Computed tomography, abdomen. axial view. soft-tissue window
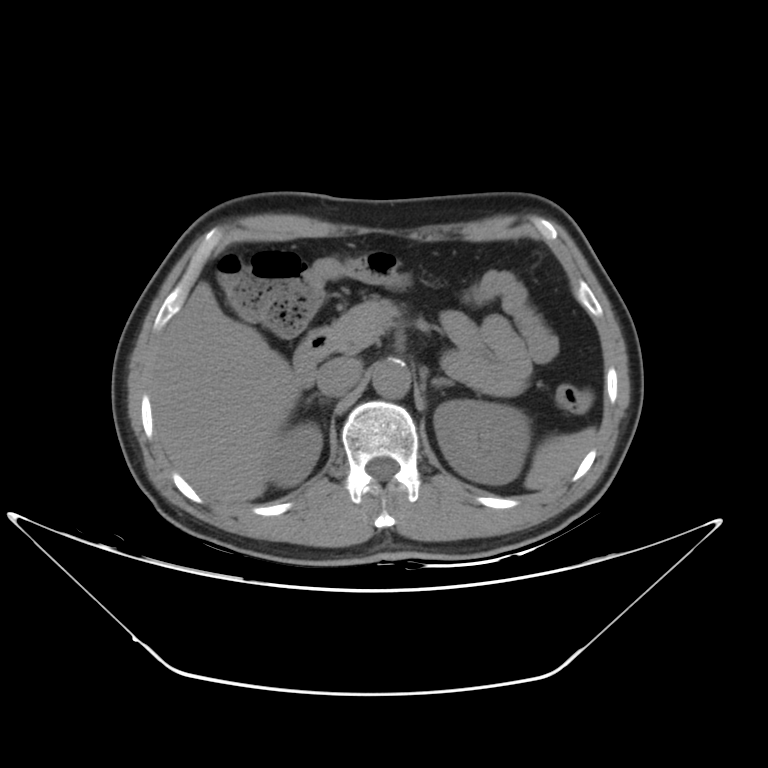 Box edges are left/top/right/bottom in pixels.
spleen: left=524, top=427, right=595, bottom=490
right kidney: left=265, top=422, right=322, bottom=486
left kidney: left=433, top=401, right=530, bottom=483
liver: left=151, top=280, right=299, bottom=508
aorta: left=372, top=357, right=410, bottom=397
inferior vena cava: left=316, top=357, right=362, bottom=395
pancreas: left=334, top=298, right=399, bottom=349
right adrenal gland: left=305, top=393, right=327, bottom=403
left adrenal gland: left=431, top=378, right=453, bottom=385
duodenum: left=293, top=326, right=350, bottom=388